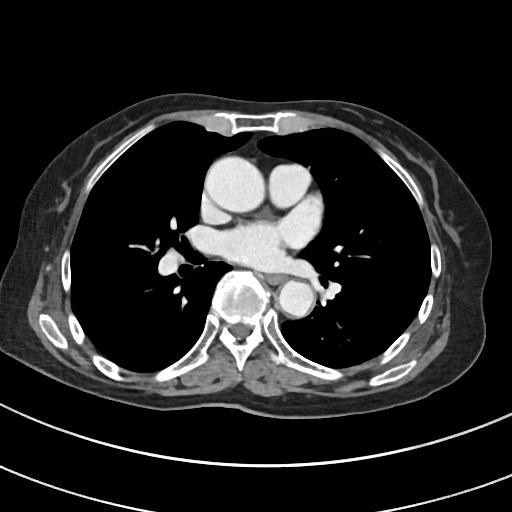 Chest-level CT slice, above the liver and spleen — axial view — soft-tissue window, W/L 400/40 — 512x512 px
On a slice this high in the chest, this dataset labels only the esophagus and the aorta, and each is boxed only where it is labeled; the heart, lungs and other chest structures are not labeled.
Bounding boxes in pixels, one row per box: x1, y1 is the top-left corner and x2, y2 the bottom-right.
| organ | x1 | y1 | x2 | y2 |
|---|---|---|---|---|
| esophagus | 266 | 274 | 286 | 283 |
| aorta | 206 | 157 | 266 | 212 |
| aorta | 278 | 280 | 314 | 317 |